Computed tomography, abdomen; axial view; 512x512 px
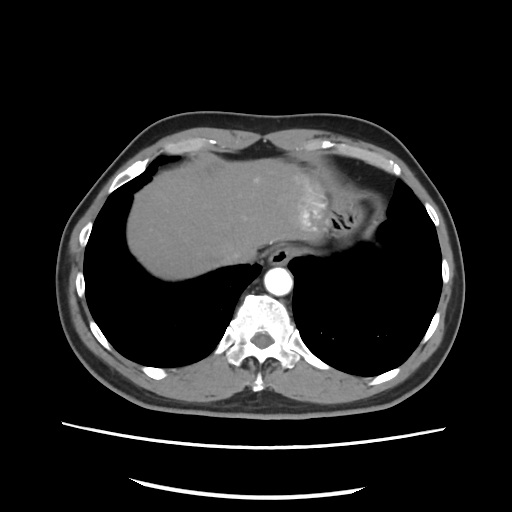
Bounding boxes in pixels, one row per box: x1, y1 is the top-left corner and x2, y2 the bottom-right.
| organ | x1 | y1 | x2 | y2 |
|---|---|---|---|---|
| esophagus | 266 | 247 | 292 | 266 |
| liver | 128 | 158 | 328 | 279 |
| stomach | 326 | 194 | 363 | 237 |
| aorta | 264 | 267 | 292 | 297 |
| inferior vena cava | 221 | 253 | 242 | 265 |